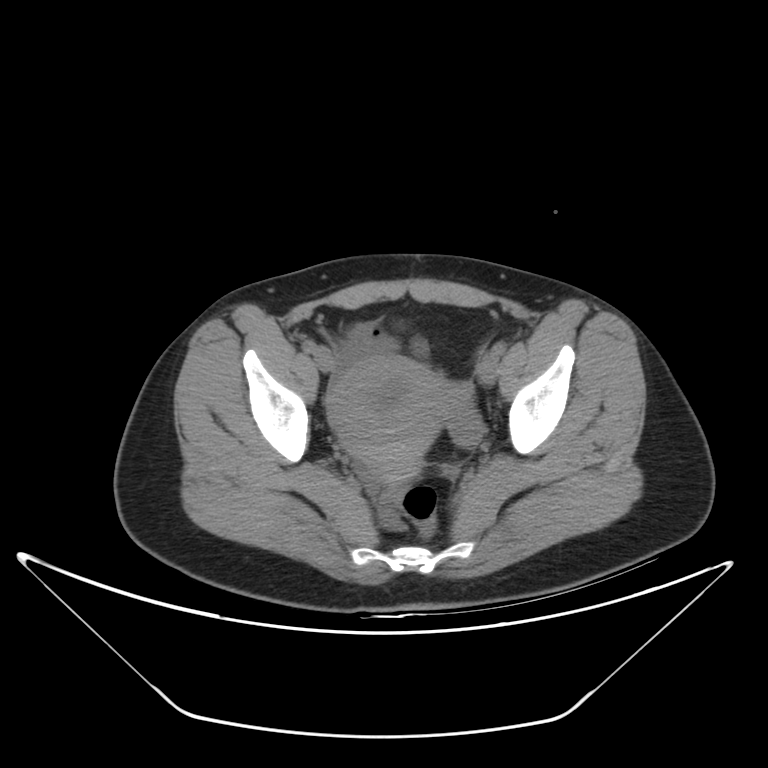

CT, abdomen/pelvis; axial view; soft-tissue window; 39-year-old female patient; 15 organs annotated in this scan (counted over the whole 3D scan, not this slice; an organ is boxed only where this slice passes through it)
{"organs":{"prostate/uterus":[325,354,449,480]}}